CT abdomen — axial view — W/L 400/40 HU — 512x512 px — acquired on SOMATOM Force
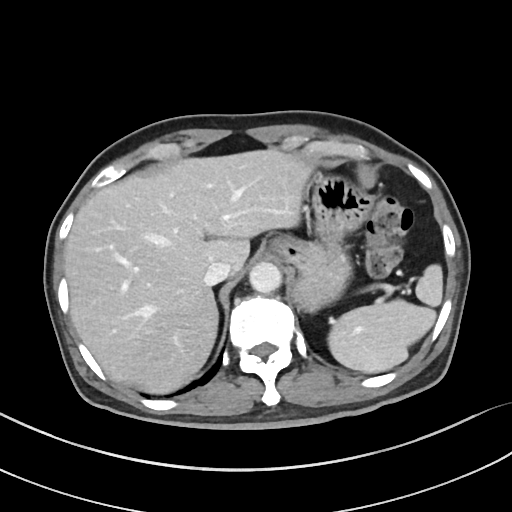

{"organs":{"inferior vena cava":[204,261,230,286],"liver":[64,148,312,394],"spleen":[328,264,442,373],"aorta":[249,262,281,293],"stomach":[270,173,373,312]}}